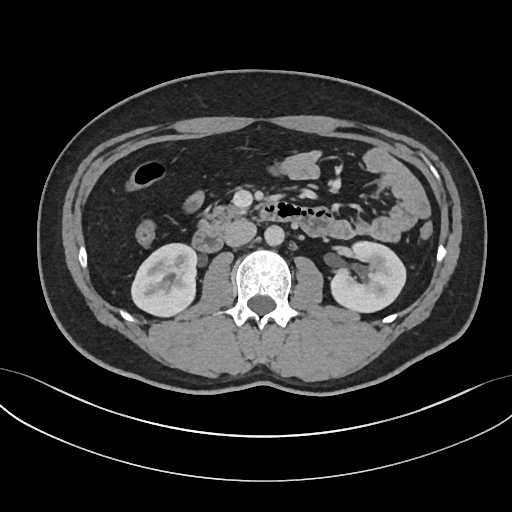
CT abdomen — axial plane, index 160
<organs><organ name="aorta" x1="264" y1="226" x2="284" y2="246"/><organ name="pancreas" x1="196" y1="204" x2="250" y2="222"/><organ name="inferior vena cava" x1="224" y1="220" x2="256" y2="246"/><organ name="left kidney" x1="329" y1="240" x2="405" y2="313"/><organ name="duodenum" x1="191" y1="202" x2="334" y2="252"/><organ name="right kidney" x1="131" y1="243" x2="196" y2="317"/></organs>